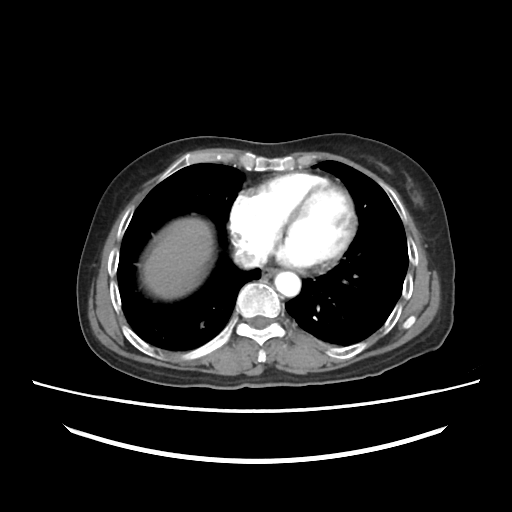
Computed tomography, abdomen. axial view. abdomen soft-tissue window. 15 organs annotated in this scan (that count is for the whole scan; organs this slice misses have no box)
{"organs":{"liver":[142,217,213,299],"aorta":[274,271,300,296],"esophagus":[263,267,277,277],"inferior vena cava":[234,248,265,268]}}